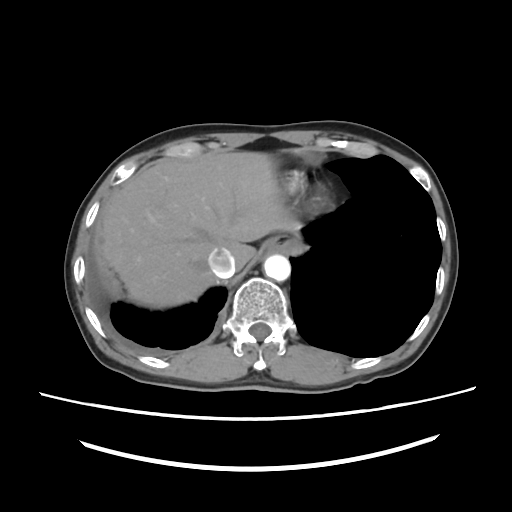 Abdominal CT. axial view
<organs><organ name="inferior vena cava" x1="208" y1="249" x2="235" y2="277"/><organ name="aorta" x1="263" y1="254" x2="290" y2="281"/><organ name="esophagus" x1="265" y1="237" x2="295" y2="252"/><organ name="liver" x1="100" y1="151" x2="298" y2="308"/></organs>